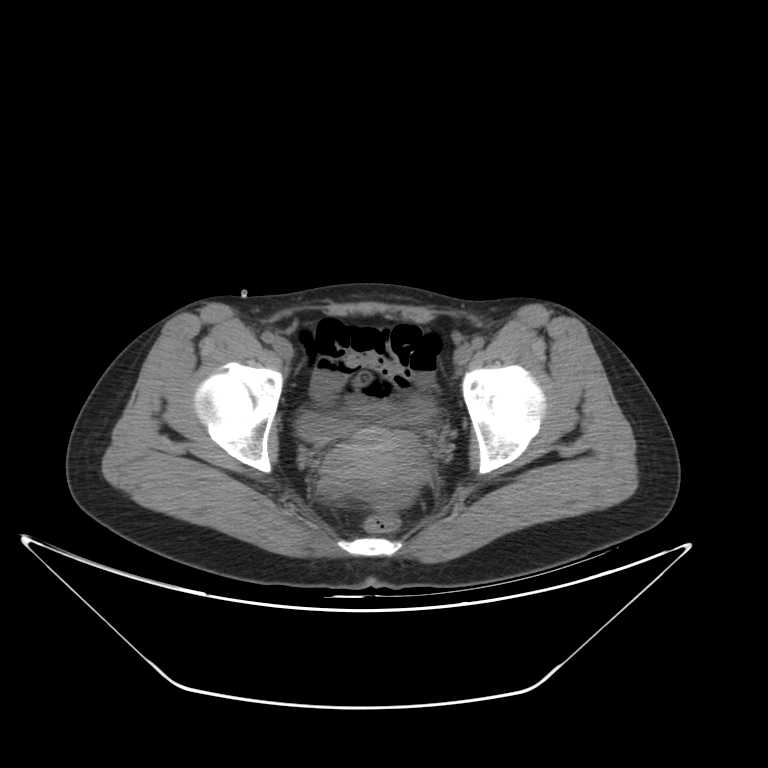
CT, abdomen/pelvis; axial view; 15 organs annotated in this scan (a whole-scan count: organs this slice does not pass through have no box)
{"organs":{"bladder":[297,398,434,441],"prostate/uterus":[326,428,418,487]}}